CT, abdomen/pelvis; axial view; 768x768 px
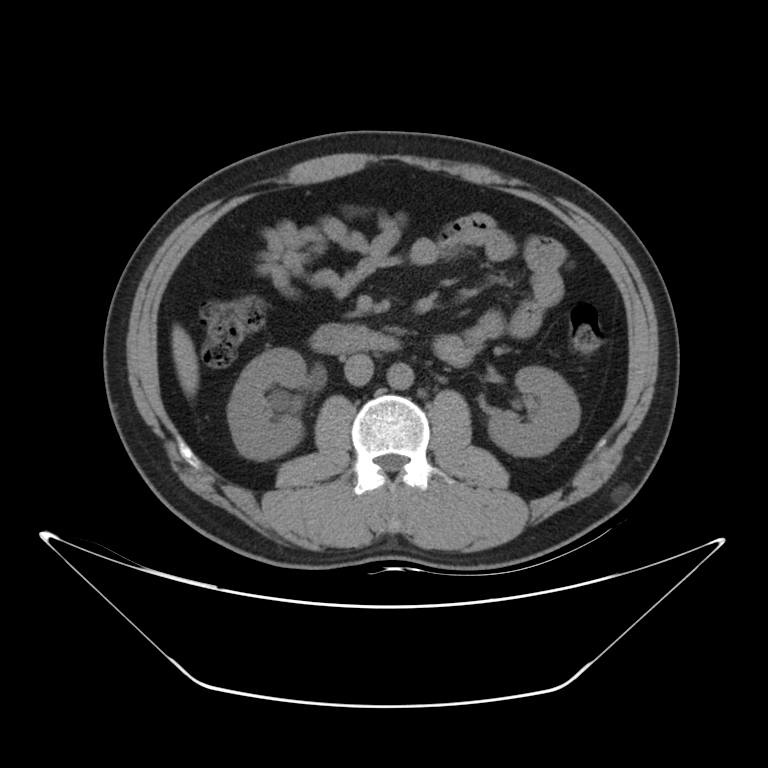

{"organs":{"liver":[171,324,198,397],"inferior vena cava":[343,354,373,386],"aorta":[387,363,413,389],"duodenum":[310,324,399,353],"left kidney":[488,367,579,456],"right kidney":[228,347,305,460]}}